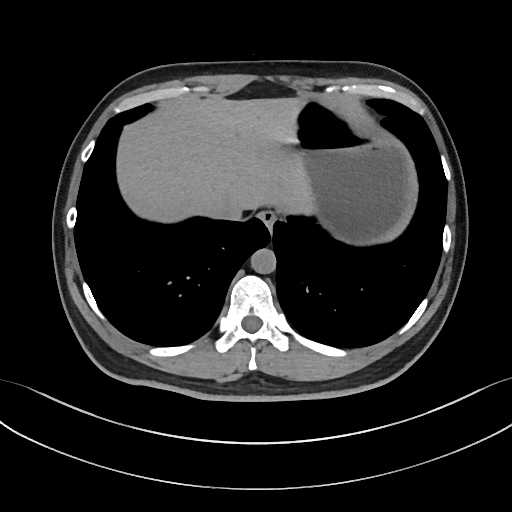
CT abdomen · axial plane, index 206 · W/L 400/40 HU
Boxes: x1 y1 x2 y2 (pixel coords, space-separated).
Organ bounding boxes:
- esophagus: 257 210 277 229
- liver: 117 97 313 222
- stomach: 293 100 416 244
- aorta: 250 248 276 273
- inferior vena cava: 211 200 245 220